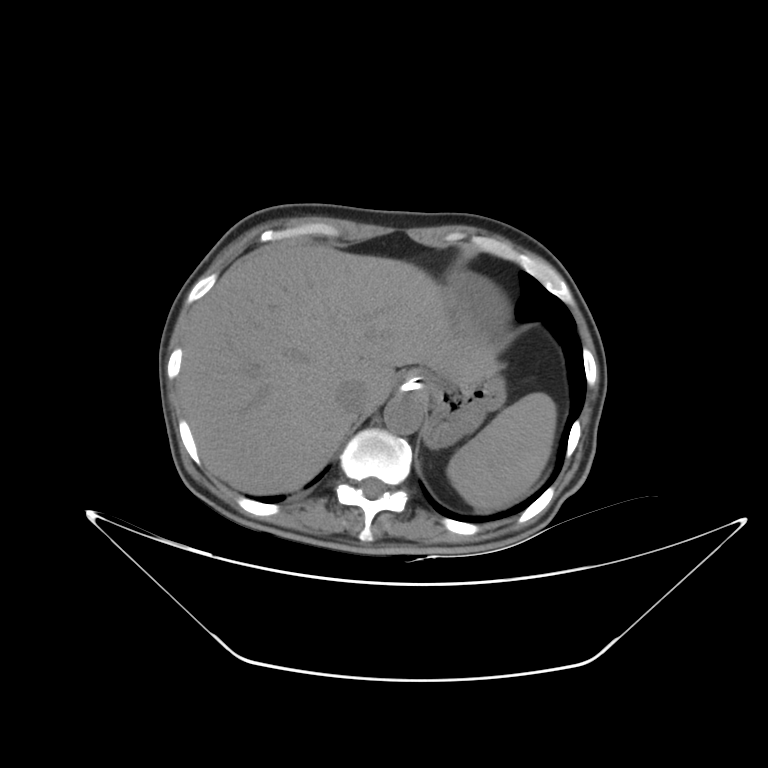 CT, abdomen/pelvis. axial view. abdomen soft-tissue window. 768x768 px
Coordinates as <box>x1,y1,x2,y2</box> in pixels.
spleen: <box>447,392,556,510</box>
inferior vena cava: <box>334,379,368,418</box>
stomach: <box>399,368,505,448</box>
liver: <box>178,243,497,494</box>
aorta: <box>384,396,423,434</box>